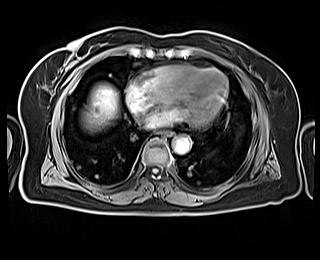
MRI, abdomen — axial view — 1st–99th percentile window
Boxes: x1 y1 x2 y2 (pixel coords, space-separated).
Organ bounding boxes:
- esophagus: 158 131 171 137
- liver: 83 85 118 131
- aorta: 173 136 191 154